CT, abdomen/pelvis. axial view. 512x512 px. SOMATOM Force scanner
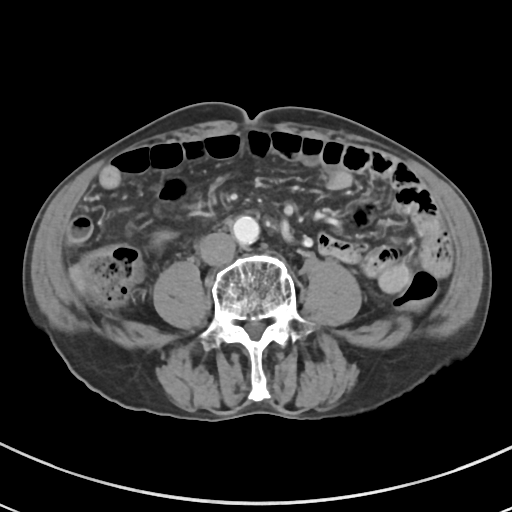 Box edges are left/top/right/bottom in pixels.
aorta: left=232, top=216, right=259, bottom=244
inferior vena cava: left=198, top=231, right=235, bottom=265